Abdominal MRI; axial view; percentile-normalized; Prisma scanner; scan has 13 labeled organs (a whole-scan count: organs this slice does not pass through have no box)
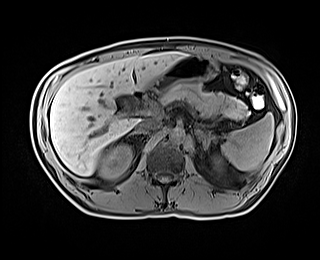
<organs><organ name="spleen" x1="221" y1="113" x2="274" y2="170"/><organ name="right kidney" x1="99" y1="144" x2="131" y2="178"/><organ name="left kidney" x1="213" y1="156" x2="222" y2="169"/><organ name="gall bladder" x1="115" y1="95" x2="127" y2="103"/><organ name="liver" x1="50" y1="52" x2="185" y2="175"/><organ name="stomach" x1="149" y1="55" x2="217" y2="92"/><organ name="aorta" x1="169" y1="127" x2="184" y2="143"/><organ name="inferior vena cava" x1="138" y1="118" x2="159" y2="131"/><organ name="pancreas" x1="160" y1="83" x2="248" y2="119"/><organ name="right adrenal gland" x1="126" y1="131" x2="146" y2="139"/><organ name="left adrenal gland" x1="193" y1="128" x2="218" y2="149"/><organ name="duodenum" x1="134" y1="91" x2="147" y2="103"/></organs>